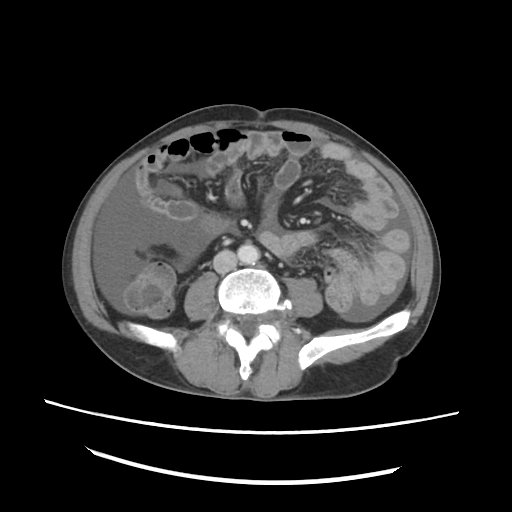 CT abdomen — Axial slice 35/112 — 512x512 px — 15 organs annotated in this scan (counted over the whole 3D scan, not this slice; an organ is boxed only where this slice passes through it)
{"organs":{"aorta":[237,244,259,264],"inferior vena cava":[213,250,237,273]}}